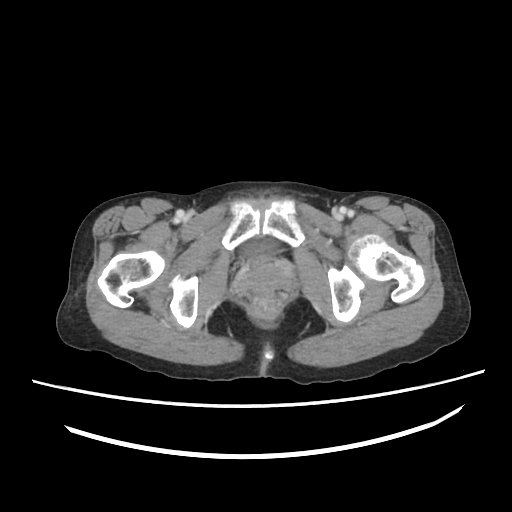 CT abdomen — axial view — W/L 400/40 HU
Box edges are left/top/right/bottom in pixels.
bladder: left=239, top=240, right=280, bottom=257